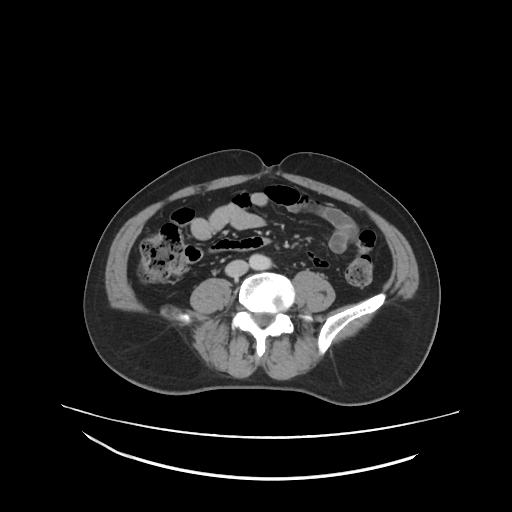 CT, abdomen/pelvis — axial plane, index 36
{"organs":{"aorta":[250,254,272,269],"inferior vena cava":[226,260,246,277]}}